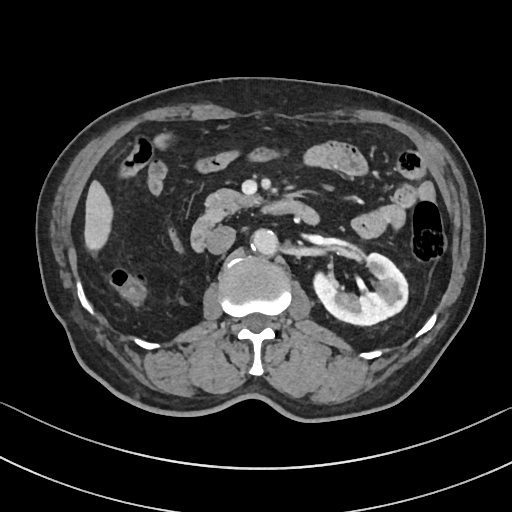
CT abdomen — Axial slice 152/221 — abdomen soft-tissue window — 512x512 px
<organs><organ name="aorta" x1="251" y1="229" x2="278" y2="255"/><organ name="inferior vena cava" x1="206" y1="226" x2="235" y2="254"/><organ name="pancreas" x1="205" y1="189" x2="259" y2="217"/><organ name="liver" x1="84" y1="180" x2="113" y2="251"/><organ name="left kidney" x1="313" y1="253" x2="407" y2="325"/><organ name="duodenum" x1="190" y1="199" x2="319" y2="251"/></organs>